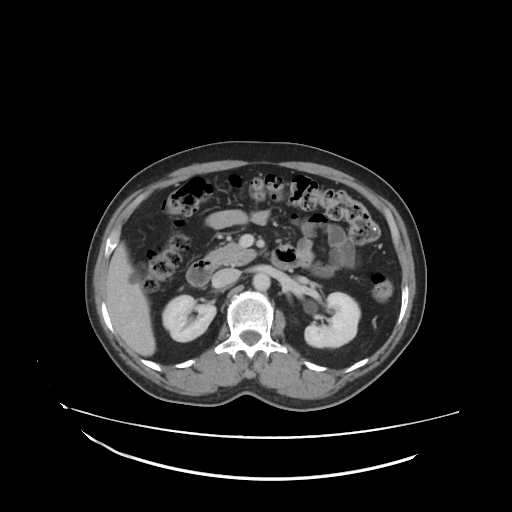 CT abdomen — Axial slice 58/116 — 512x512 px — 15 organs annotated in this scan (that count is for the whole scan; organs this slice misses have no box)
<organs><organ name="right kidney" x1="161" y1="295" x2="216" y2="342"/><organ name="left kidney" x1="304" y1="292" x2="360" y2="346"/><organ name="liver" x1="106" y1="243" x2="156" y2="356"/><organ name="aorta" x1="253" y1="273" x2="270" y2="291"/><organ name="inferior vena cava" x1="211" y1="268" x2="240" y2="288"/><organ name="pancreas" x1="206" y1="242" x2="256" y2="267"/><organ name="duodenum" x1="186" y1="246" x2="299" y2="286"/></organs>